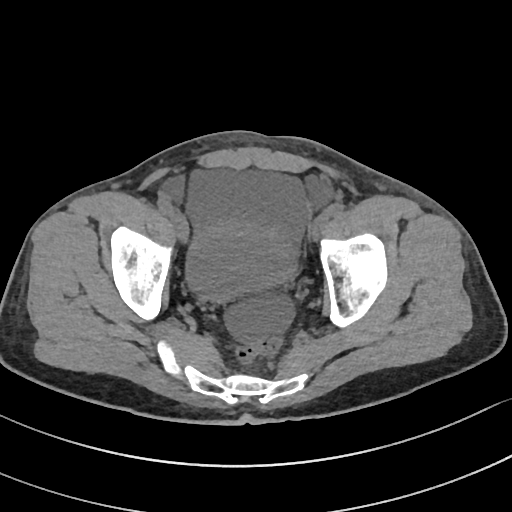
CT, abdomen/pelvis; axial plane, index 34; W/L 400/40 HU; acquired on SOMATOM Force; 15 organs annotated in this scan (counted over the whole 3D scan, not this slice; an organ is boxed only where this slice passes through it)
Box edges are left/top/right/bottom in pixels.
Organ bounding boxes:
- bladder: left=184, top=214, right=295, bottom=303